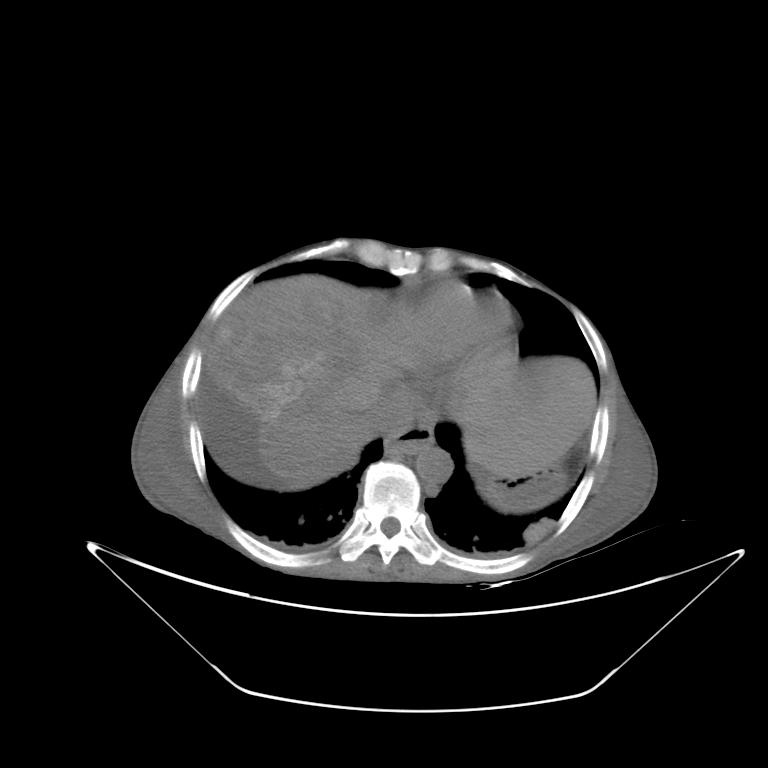

CT, abdomen/pelvis — axial view — 15 organs annotated in this scan (counted over the whole 3D scan, not this slice; an organ is boxed only where this slice passes through it)
<organs><organ name="inferior vena cava" x1="366" y1="394" x2="413" y2="435"/><organ name="stomach" x1="475" y1="467" x2="566" y2="509"/><organ name="esophagus" x1="384" y1="426" x2="434" y2="456"/><organ name="aorta" x1="415" y1="446" x2="453" y2="482"/><organ name="liver" x1="204" y1="274" x2="596" y2="478"/></organs>